Computed tomography, abdomen — Axial slice 46/206 — W/L 400/40 HU — 512x512 px
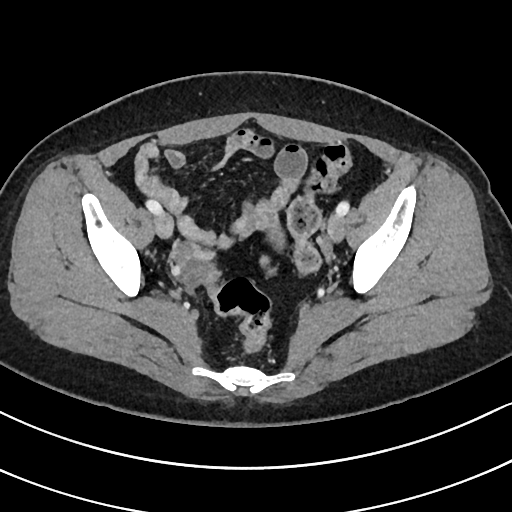

Coordinates as <box>x1,y1,x2,y2</box> in pixels.
Organ bounding boxes:
- prostate/uterus: <box>270,229,283,246</box>